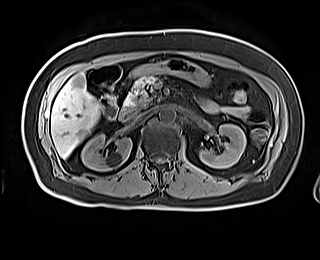 MRI, abdomen. axial view. 1st–99th percentile window. acquired on Prisma. scan has 13 labeled organs (counted over the whole 3D scan, not this slice; an organ is boxed only where this slice passes through it)
Coordinates as <box>x1,y1,x2,y2</box> in pixels.
right kidney: <box>81,133,131,170</box>
left kidney: <box>199,124,246,168</box>
liver: <box>51,73,100,158</box>
stomach: <box>130,59,211,85</box>
aorta: <box>159,106,175,122</box>
inferior vena cava: <box>135,110,149,119</box>
pancreas: <box>124,76,160,110</box>
duodenum: <box>119,109,135,121</box>